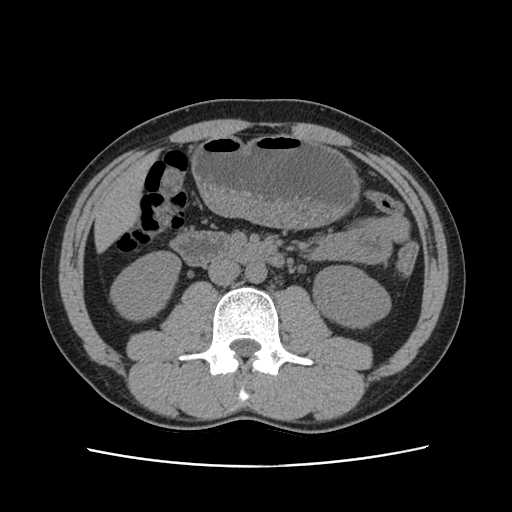

CT abdomen — axial view — SOMATOM Force scanner
Organ boxes in pixel coordinates; each row gives the top-left (x1, y1) and bottom-right (x2, y2) corners.
| organ | x1 | y1 | x2 | y2 |
|---|---|---|---|---|
| aorta | 245 | 263 | 267 | 284 |
| left kidney | 311 | 265 | 391 | 328 |
| stomach | 189 | 134 | 358 | 229 |
| liver | 94 | 149 | 161 | 251 |
| right kidney | 109 | 250 | 181 | 321 |
| duodenum | 168 | 231 | 285 | 267 |
| inferior vena cava | 208 | 259 | 240 | 285 |